Computed tomography, abdomen. axial plane, index 91. 512x512 px. acquired on Aquilion ONE
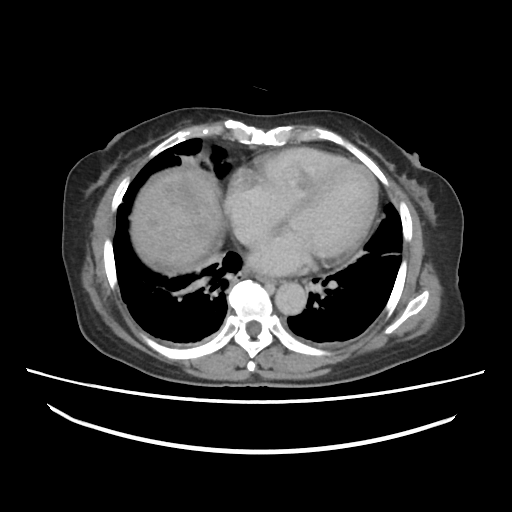

One row per box, in pixels: columns x1 and y1 give the top-left corner, x2 and y2 the bottom-right.
| organ | x1 | y1 | x2 | y2 |
|---|---|---|---|---|
| esophagus | 255 | 275 | 277 | 284 |
| liver | 130 | 167 | 227 | 276 |
| aorta | 273 | 282 | 305 | 314 |
| inferior vena cava | 237 | 225 | 269 | 245 |